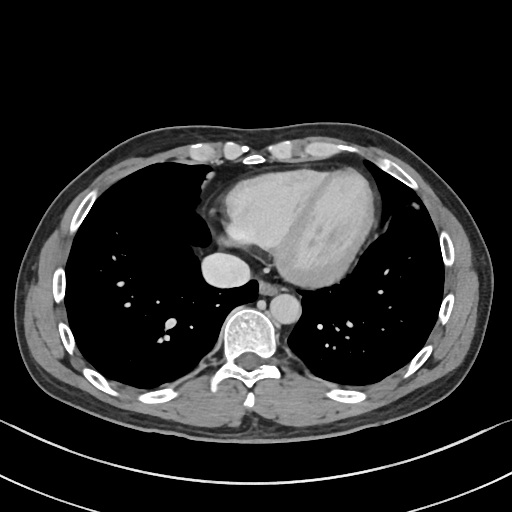 Lower-chest slice from an abdominal CT, just above the liver and spleen · axial view · SOMATOM Force scanner
The heart and lungs are never labeled in this dataset, so they have no box on this slice.
Coordinates as <box>x1,y1,x2,y2</box> in pixels.
Organ bounding boxes:
- esophagus: <box>257,282,278,295</box>
- inferior vena cava: <box>203,253,249,287</box>
- aorta: <box>270,294,299,324</box>